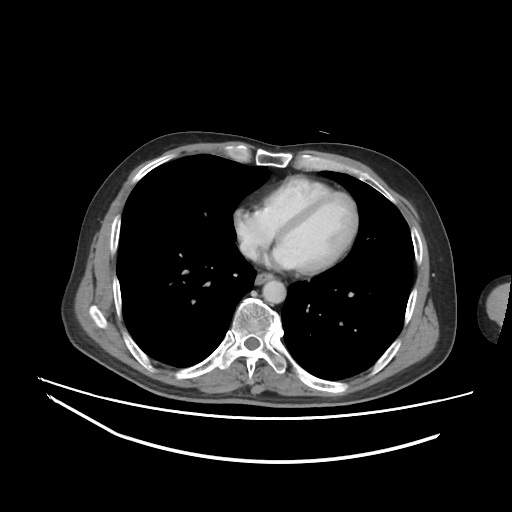 CT of the abdomen reaching into the lower chest, slice just above the liver and spleen; Axial slice 90/128; soft-tissue window; 54-year-old male patient
The heart and lungs are never labeled in this dataset, so they have no box on this slice.
{"organs":{"esophagus":[255,272,274,284],"aorta":[262,280,286,303],"inferior vena cava":[240,243,256,258]}}